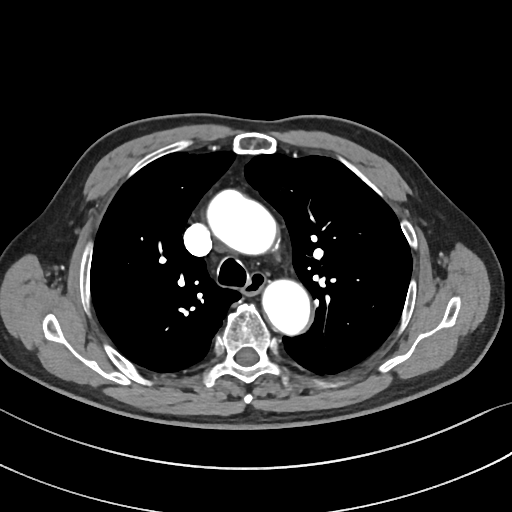 Chest-level slice from an abdominal CT that extends up into the chest; axial plane, index 261; 512x512 px; scan has 15 labeled organs (that count is for the whole scan; organs this slice misses have no box)
At this level of the chest no structure but the esophagus and the aorta has a label in this dataset, and those two are boxed only where they are labeled.
{"organs":{"esophagus":[243,272,265,293],"aorta":[[209,191,279,255],[262,278,310,333]]}}